CT abdomen · axial plane, index 161 · abdomen soft-tissue window · 512x512 px · 15 organs annotated in this scan (that count is for the whole scan; organs this slice misses have no box)
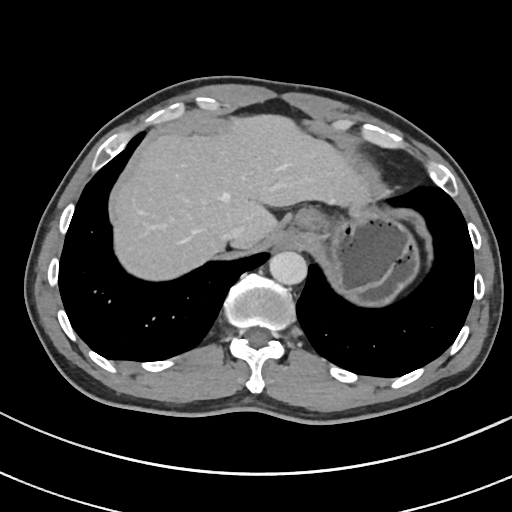

{"organs":{"esophagus":[277,231,300,246],"liver":[114,114,370,280],"stomach":[290,204,418,306],"aorta":[269,251,307,285],"inferior vena cava":[221,225,245,242]}}